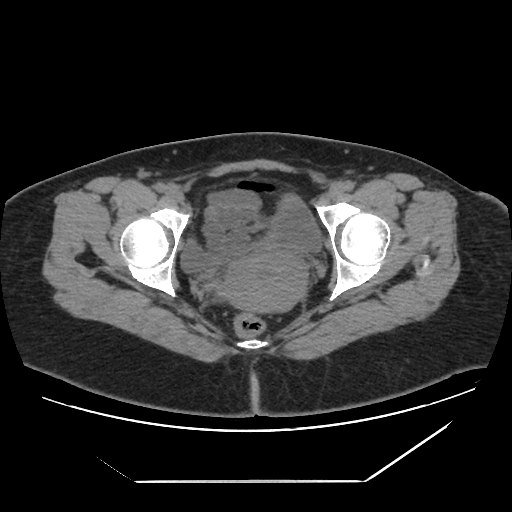

Abdominal CT; axial view; W/L 400/40 HU; SOMATOM Force scanner
<organs><organ name="bladder" x1="180" y1="190" x2="320" y2="274"/><organ name="prostate/uterus" x1="221" y1="249" x2="304" y2="312"/></organs>